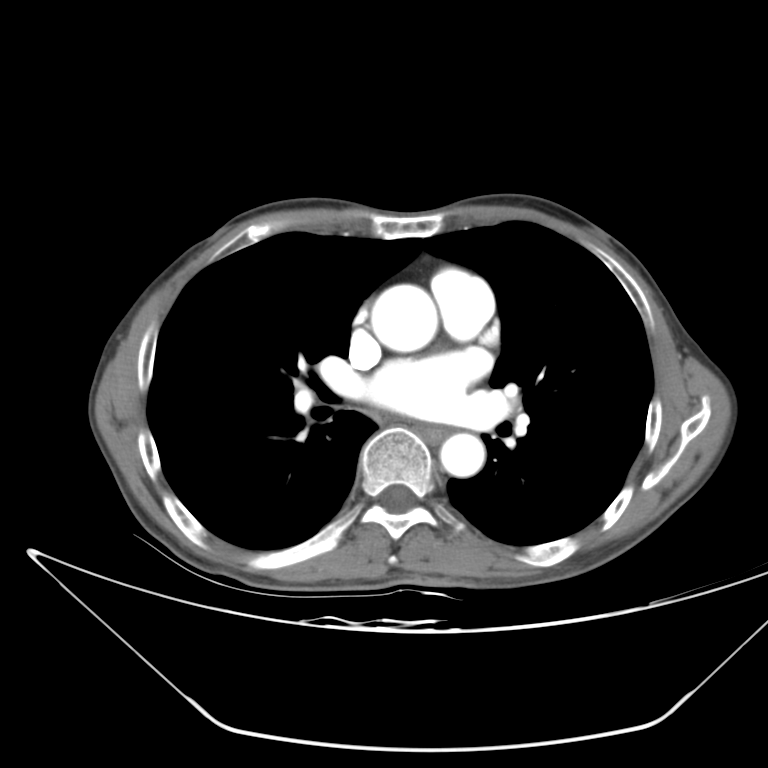

CT of the abdomen extending into the chest, slice through the chest; axial view; soft-tissue window, W/L 400/40
At this level of the chest no structure but the esophagus and the aorta has a label in this dataset, and those two are boxed only where they are labeled. Boxes: x1:y1:x2:y2 in pixels. 2 labeled organs on this slice — esophagus at 415:424:448:441; aorta at 371:284:437:352; aorta at 440:433:485:476.